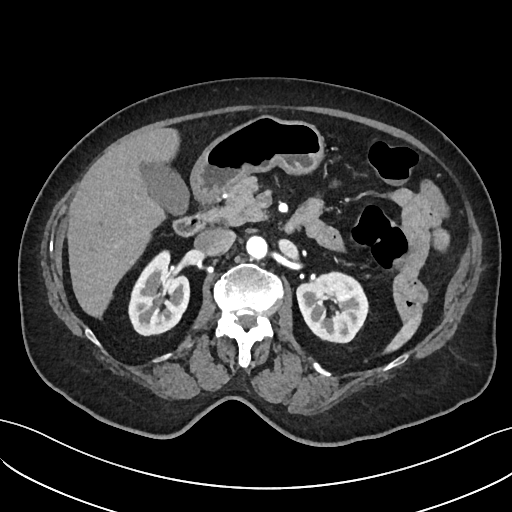 CT, abdomen/pelvis · axial view · soft-tissue window · acquired on SOMATOM Force · scan has 15 labeled organs (counted over the whole 3D scan, not this slice; an organ is boxed only where this slice passes through it)
Bounding boxes as [x1, y1, x2, y2] in pixel coordinates.
left kidney: [297, 272, 368, 342]
right kidney: [128, 250, 189, 335]
inferior vena cava: [194, 228, 235, 255]
aorta: [246, 235, 267, 258]
gall bladder: [140, 163, 188, 214]
liver: [67, 128, 179, 317]
pancreas: [200, 176, 266, 225]
duodenum: [173, 213, 207, 236]
spleen: [385, 313, 421, 352]
stomach: [190, 115, 323, 202]